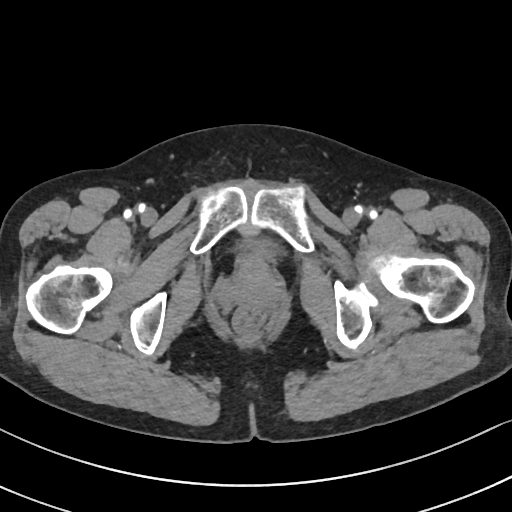
CT abdomen — axial view
Organ boxes in pixel coordinates; each row gives the top-left (x1, y1) and bottom-right (x2, y2) corners.
| organ | x1 | y1 | x2 | y2 |
|---|---|---|---|---|
| bladder | 237 | 235 | 276 | 261 |